Abdominal CT — axial view — W/L 400/40 HU
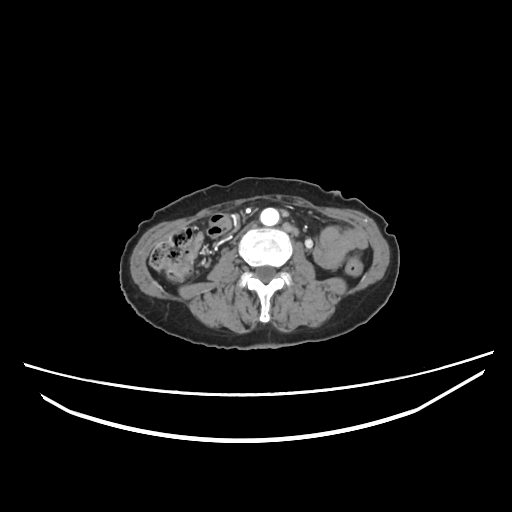 Boxes are (x1, y1, x2, y2) in pixels. 2 labeled organs on this slice — aorta at (260, 209, 280, 227); inferior vena cava at (231, 222, 255, 242).